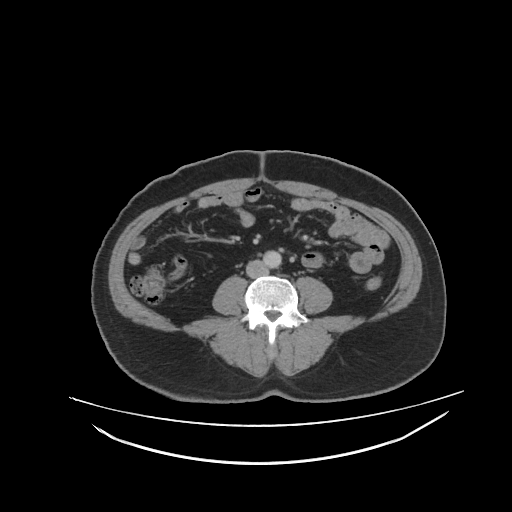
Computed tomography, abdomen · axial plane, index 49 · W/L 400/40 HU · Aquilion ONE scanner
{"organs":{"aorta":[263,250,279,268],"inferior vena cava":[246,261,268,278]}}